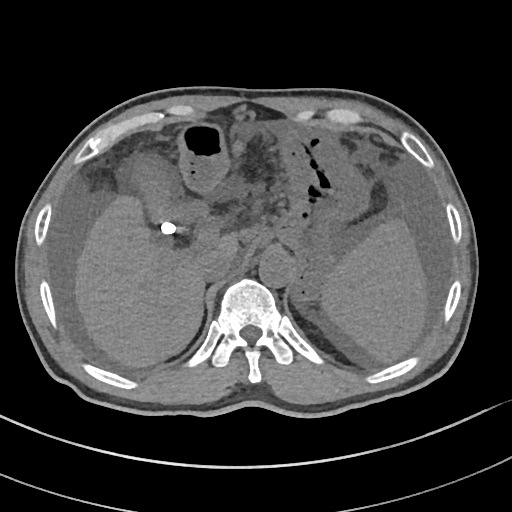

CT abdomen — axial view — 512x512 px
Boxes: x1 y1 x2 y2 (pixel coords, space-separated).
spleen: 320 220 425 361
gall bladder: 125 153 205 231
liver: 75 194 408 367
stomach: 180 123 368 300
aorta: 259 253 293 288
inferior vena cava: 202 254 234 282